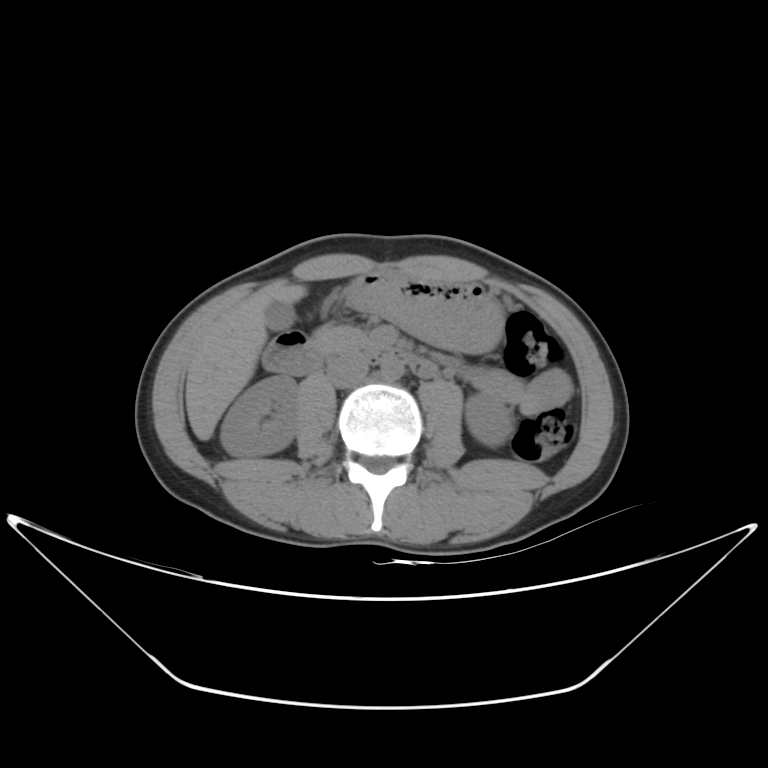 CT abdomen. axial view. soft-tissue window. 30-year-old male patient. 15 organs annotated in this scan (a whole-scan count: organs this slice does not pass through have no box)
{"organs":{"gall bladder":[264,300,294,331],"stomach":[345,270,504,352],"pancreas":[311,326,372,353],"aorta":[380,357,404,380],"inferior vena cava":[326,356,369,387],"left kidney":[466,394,512,446],"right kidney":[221,376,297,456],"duodenum":[263,332,438,377],"liver":[186,283,307,439]}}